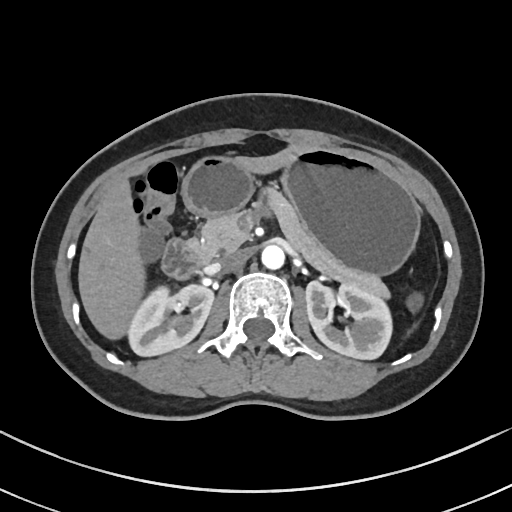
Abdominal CT · axial plane, index 167 · W/L 400/40 HU
Bounding boxes in pixels, one row per box: x1, y1 is the top-left corner and x2, y2 the bottom-right.
| organ | x1 | y1 | x2 | y2 |
|---|---|---|---|---|
| right kidney | 129 | 284 | 215 | 357 |
| left kidney | 305 | 281 | 390 | 360 |
| liver | 77 | 146 | 311 | 342 |
| stomach | 181 | 148 | 421 | 275 |
| aorta | 261 | 245 | 284 | 270 |
| inferior vena cava | 217 | 251 | 246 | 270 |
| pancreas | 202 | 184 | 392 | 301 |
| duodenum | 163 | 236 | 211 | 280 |